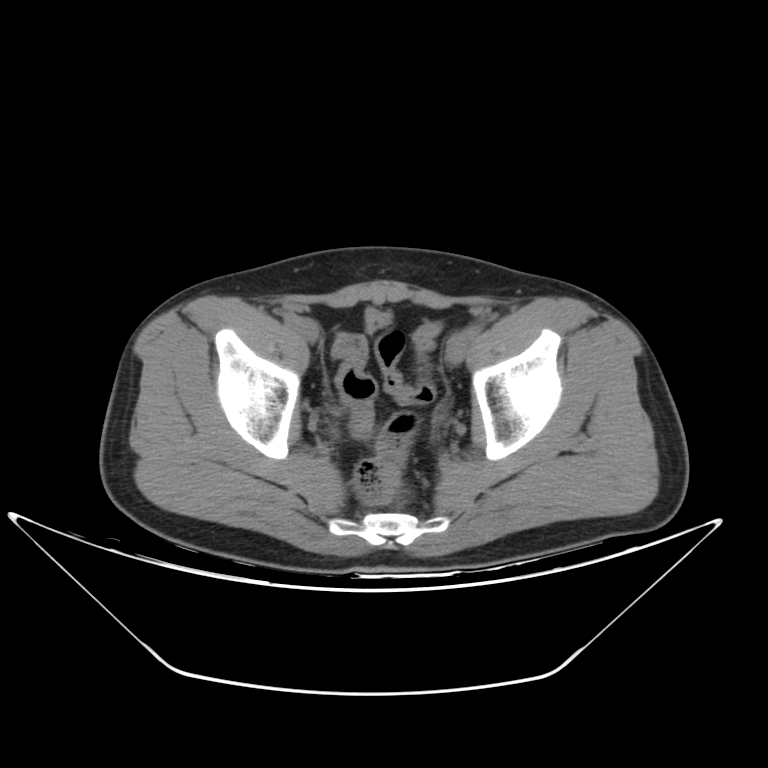

CT, abdomen/pelvis — axial view — abdomen soft-tissue window — 53-year-old male patient — acquired on Brilliance16 — 15 organs annotated in this scan (that count is for the whole scan; organs this slice misses have no box)
Bounding boxes as [x1, y1, x2, y2] in pixel coordinates.
bladder: [366, 307, 391, 335]